Lower-chest slice from an abdominal CT, just above the liver and spleen. axial view. 60-year-old female patient. 15 organs annotated in this scan (counted over the whole 3D scan, not this slice; an organ is boxed only where this slice passes through it)
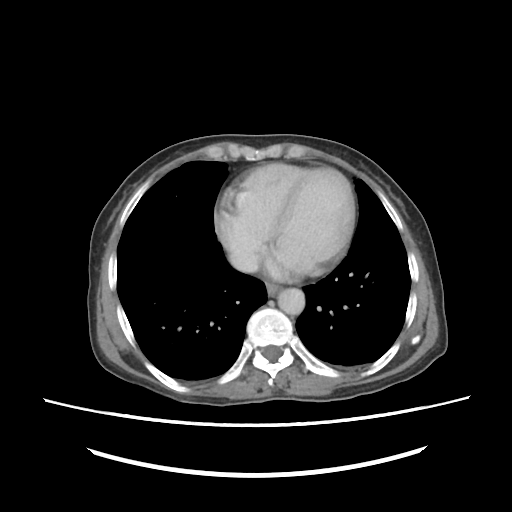 Of the structures in the chest, this dataset labels only the esophagus, the aorta and the inferior vena cava; the heart and lungs have no label.
Bounding boxes in pixels, one row per box: x1, y1 is the top-left corner and x2, y2 the bottom-right.
| organ | x1 | y1 | x2 | y2 |
|---|---|---|---|---|
| esophagus | 266 | 282 | 279 | 295 |
| aorta | 278 | 288 | 305 | 314 |
| inferior vena cava | 228 | 250 | 259 | 274 |